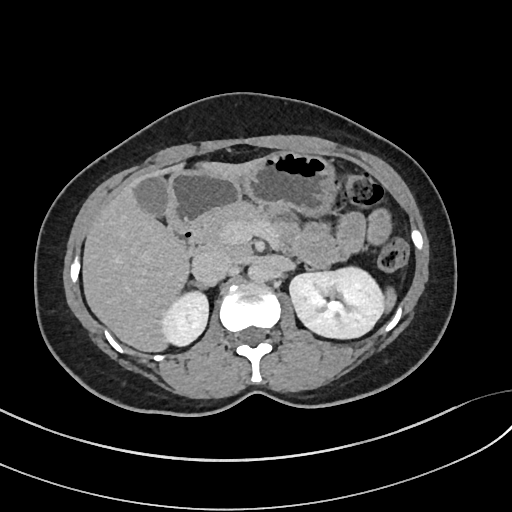

Computed tomography, abdomen — axial view — soft-tissue window (W 400 / L 40)
Coordinates as <box>x1,y1,x2,y2</box> in pixels.
Organ bounding boxes:
- spleen: <box>384,288,396,311</box>
- stomach: <box>167,151,338,225</box>
- pancreas: <box>198,201,331,251</box>
- liver: <box>82,159,258,352</box>
- left kidney: <box>289,267,383,338</box>
- inferior vena cava: <box>192,250,233,285</box>
- right adrenal gland: <box>194,283,207,289</box>
- gall bladder: <box>135,177,169,217</box>
- duodenum: <box>170,224,203,255</box>
- right kidney: <box>161,291,208,345</box>
- aorta: <box>248,264,267,282</box>